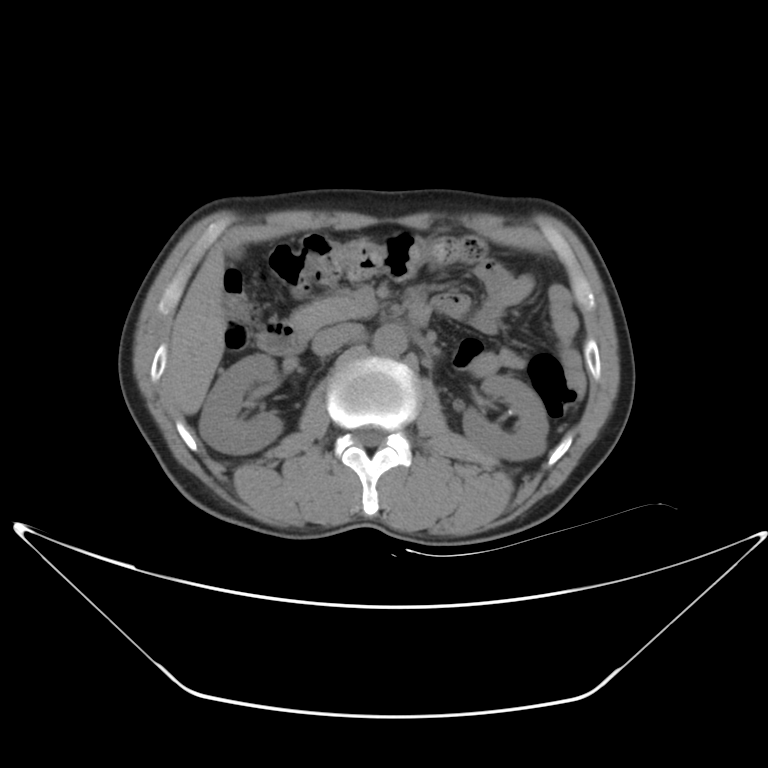
Abdominal CT · Axial slice 64/93 · 768x768 px · Brilliance16 scanner
<organs><organ name="gall bladder" x1="230" y1="246" x2="242" y2="258"/><organ name="left kidney" x1="460" y1="376" x2="547" y2="462"/><organ name="spleen" x1="536" y1="442" x2="546" y2="456"/><organ name="duodenum" x1="255" y1="299" x2="431" y2="353"/><organ name="liver" x1="171" y1="243" x2="226" y2="413"/><organ name="aorta" x1="372" y1="327" x2="408" y2="356"/><organ name="pancreas" x1="284" y1="296" x2="369" y2="334"/><organ name="right kidney" x1="199" y1="354" x2="281" y2="453"/><organ name="inferior vena cava" x1="311" y1="323" x2="363" y2="356"/></organs>